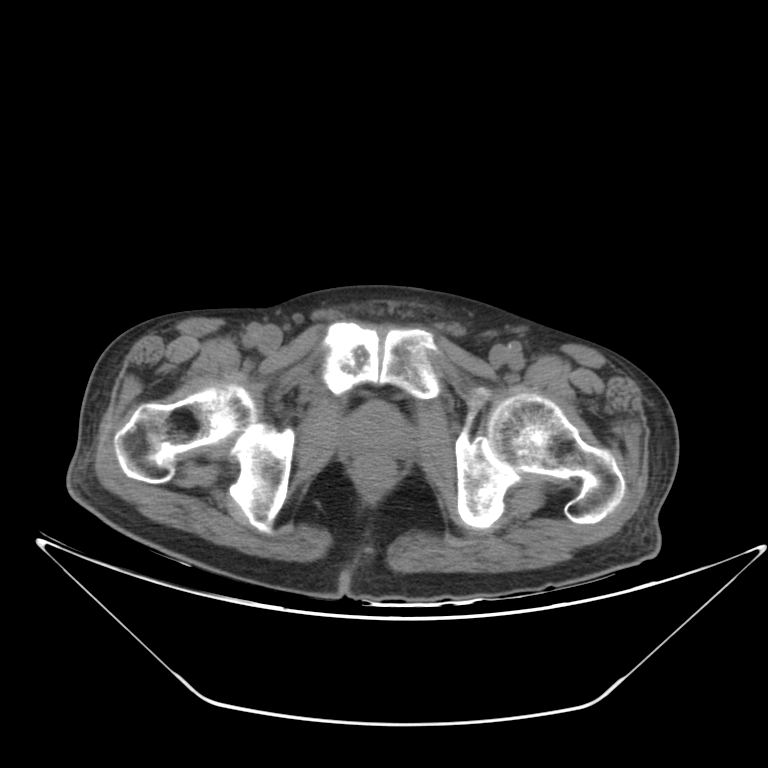
Abdominal CT. axial plane, index 14. 69-year-old male patient. Brilliance16 scanner. scan has 15 labeled organs (counted over the whole 3D scan, not this slice; an organ is boxed only where this slice passes through it)
{"organs":{"prostate/uterus":[340,402,414,464]}}